Abdominal CT; Axial slice 140/297; soft-tissue window; scan has 15 labeled organs (a whole-scan count: organs this slice does not pass through have no box)
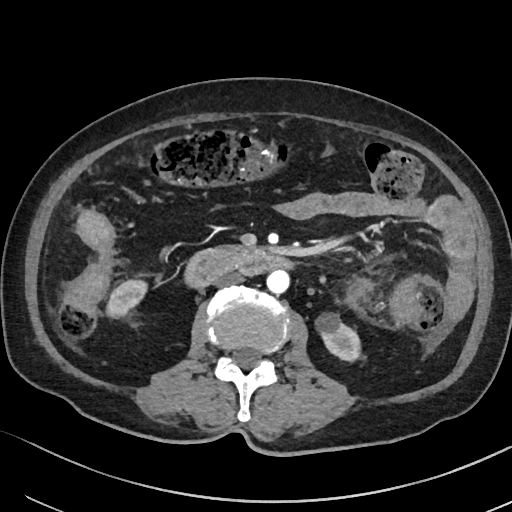 {"organs":{"aorta":[267,269,289,293],"inferior vena cava":[215,272,244,287],"left kidney":[314,314,360,360],"right kidney":[106,280,146,316],"duodenum":[186,246,294,286]}}